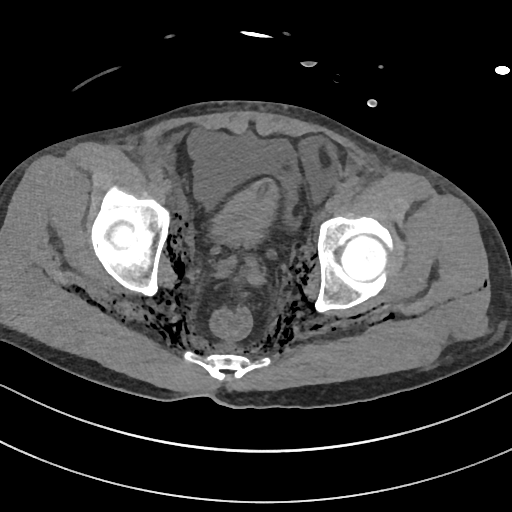
CT, abdomen/pelvis — axial plane, index 50 — soft-tissue window — SOMATOM Force scanner
Organ boxes in pixel coordinates; each row gives the top-left (x1, y1) and bottom-right (x2, y2) corners.
| organ | x1 | y1 | x2 | y2 |
|---|---|---|---|---|
| bladder | 211 | 179 | 278 | 247 |